Abdominal CT; Axial slice 59/89; 768x768 px
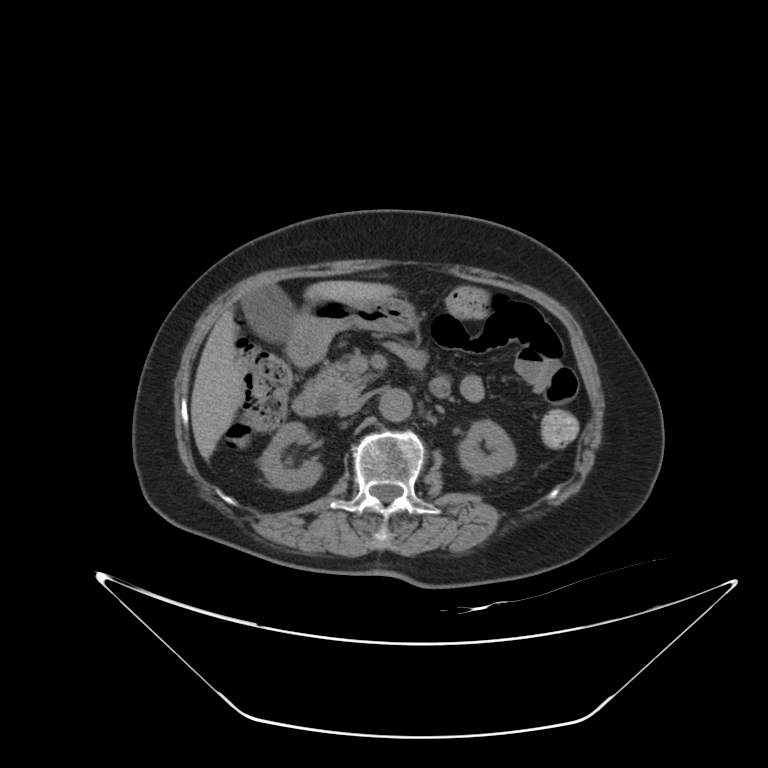 Bounding boxes in pixels, one row per box: x1, y1 is the top-left corner and x2, y2 the bottom-right.
| organ | x1 | y1 | x2 | y2 |
|---|---|---|---|---|
| right kidney | 259 | 423 | 322 | 490 |
| left kidney | 459 | 420 | 515 | 474 |
| gall bladder | 242 | 284 | 294 | 341 |
| liver | 191 | 280 | 396 | 459 |
| stomach | 288 | 297 | 418 | 364 |
| aorta | 379 | 389 | 412 | 420 |
| inferior vena cava | 338 | 392 | 370 | 416 |
| pancreas | 305 | 361 | 373 | 401 |
| duodenum | 291 | 391 | 340 | 416 |